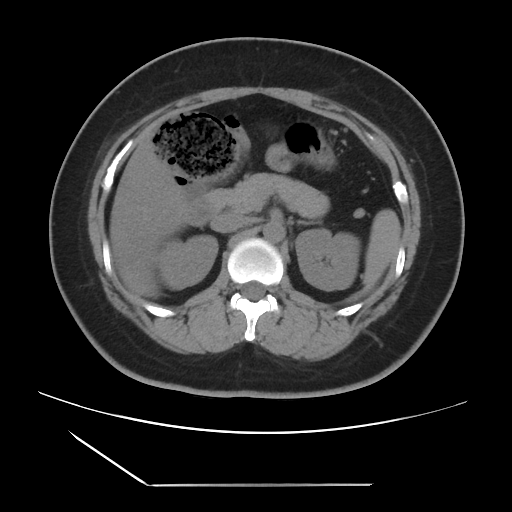
Abdominal CT · axial view · soft-tissue window · 512x512 px
Boxes are (x1, y1, x2, y2) in pixels. Labeled organs on this slice: pancreas at (206, 173, 329, 217), liver at (109, 136, 187, 297), right kidney at (156, 235, 217, 289), duodenum at (187, 195, 217, 225), left adrenal gland at (297, 220, 316, 225), inferior vena cava at (211, 212, 249, 232), aorta at (263, 221, 285, 242), stomach at (284, 121, 335, 168), spleen at (364, 209, 401, 288), left kidney at (296, 228, 360, 290).